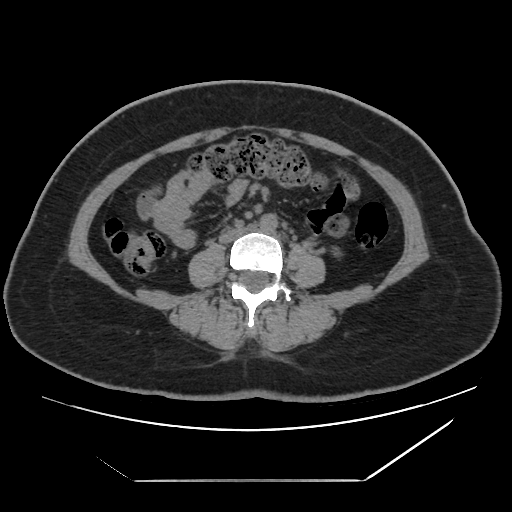

Abdominal CT · axial view · 512x512 px · SOMATOM Force scanner
Bounding boxes as [x1, y1, x2, y2] in pixel coordinates. The annotated organs in this slice are: aorta at [260, 213, 278, 232], inferior vena cava at [219, 225, 252, 243].